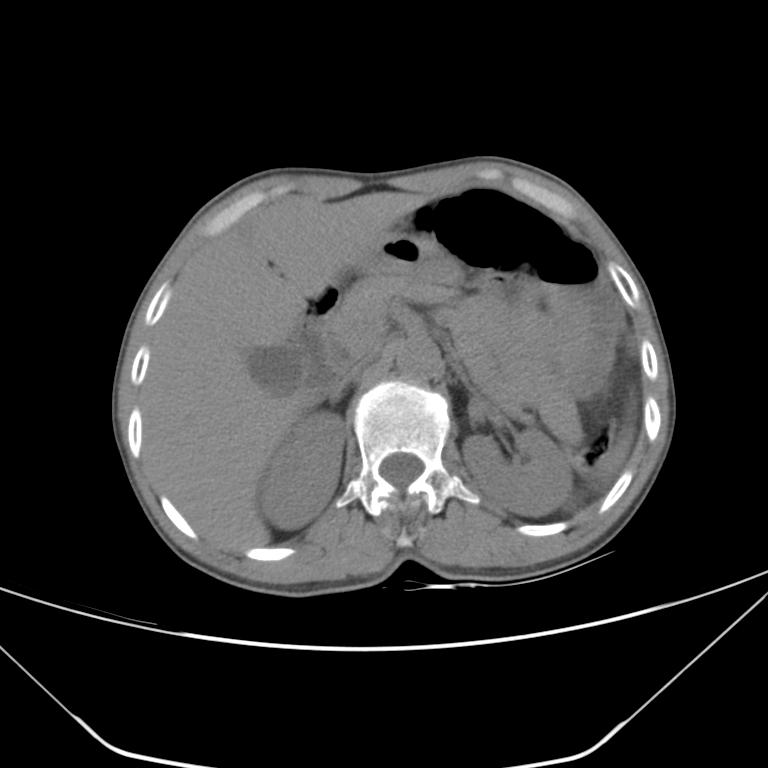

CT, abdomen/pelvis; Axial slice 64/85; soft-tissue window; 768x768 px
Bounding boxes as [x1, y1, x2, y2] in pixel coordinates. The annotated organs in this slice are: spleen at [597, 424, 633, 479], right kidney at [260, 411, 344, 529], left kidney at [463, 428, 571, 515], gall bladder at [248, 343, 302, 395], liver at [141, 191, 432, 551], stomach at [361, 231, 462, 282], aorta at [396, 337, 440, 380], inferior vena cava at [332, 355, 371, 396], pancreas at [327, 273, 450, 356], right adrenal gland at [332, 394, 341, 403], duodenum at [288, 285, 341, 396].